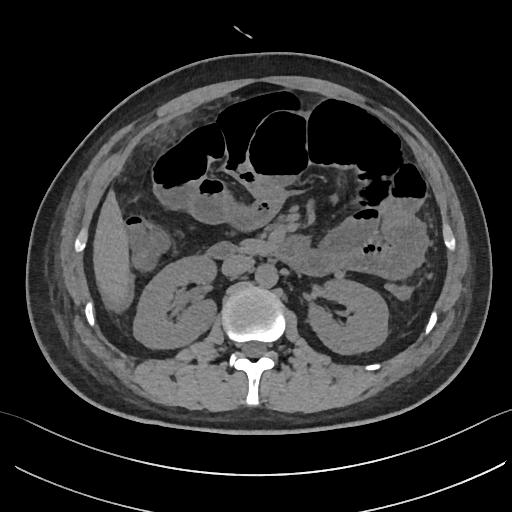 CT abdomen · axial view · W/L 400/40 HU · 512x512 px
Boxes are (x1, y1, x2, y2) in pixels.
right kidney: (133, 257, 217, 350)
left kidney: (310, 279, 388, 354)
liver: (92, 190, 130, 305)
aorta: (255, 264, 278, 287)
inferior vena cava: (221, 255, 254, 276)
pancreas: (236, 238, 275, 253)
duodenum: (205, 234, 307, 265)